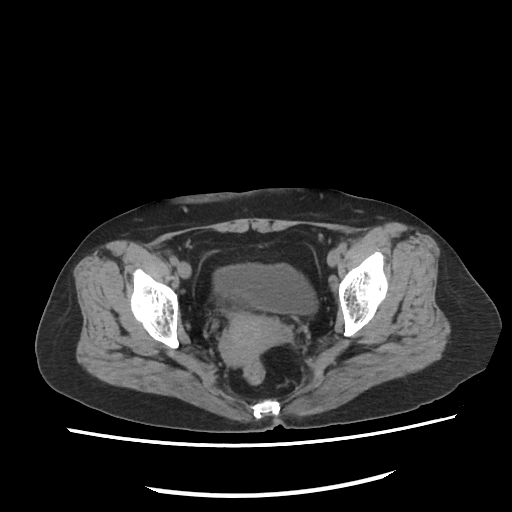

Abdominal CT · axial view · 512x512 px · scan has 15 labeled organs (that count is for the whole scan; organs this slice misses have no box)
Boxes: x1 y1 x2 y2 (pixel coords, space-separated). The annotated organs in this slice are: bladder at 212 261 317 313, prostate/uterus at 224 316 282 366.